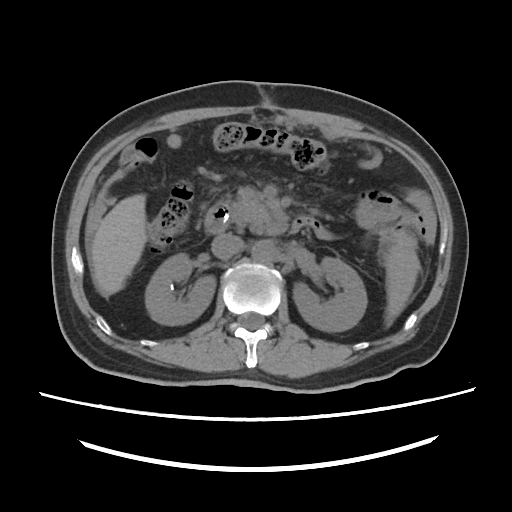
CT, abdomen/pelvis; axial view; 49-year-old male patient; 14 organs annotated in this scan (counted over the whole 3D scan, not this slice; an organ is boxed only where this slice passes through it)
<organs><organ name="spleen" x1="386" y1="235" x2="419" y2="321"/><organ name="right kidney" x1="145" y1="253" x2="215" y2="325"/><organ name="left kidney" x1="293" y1="257" x2="367" y2="331"/><organ name="liver" x1="91" y1="194" x2="389" y2="322"/><organ name="aorta" x1="251" y1="240" x2="275" y2="263"/><organ name="inferior vena cava" x1="211" y1="234" x2="243" y2="259"/><organ name="pancreas" x1="230" y1="186" x2="272" y2="232"/><organ name="duodenum" x1="205" y1="203" x2="321" y2="233"/></organs>